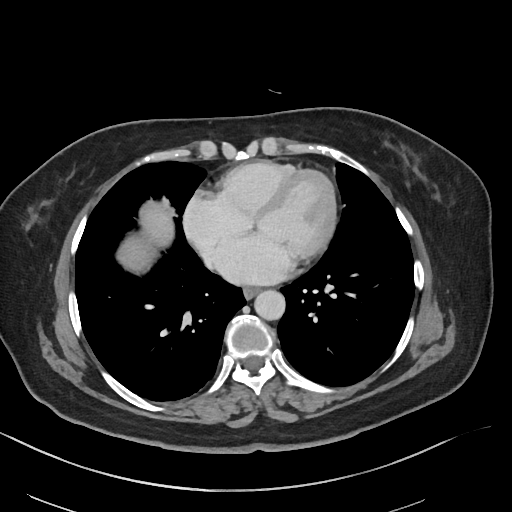 CT abdomen — axial plane, index 227 — 512x512 px
Bounding boxes as [x1, y1, x2, y2] in pixel coordinates.
Organ bounding boxes:
- esophagus: [244, 287, 260, 298]
- liver: [117, 201, 173, 271]
- aorta: [254, 290, 285, 320]